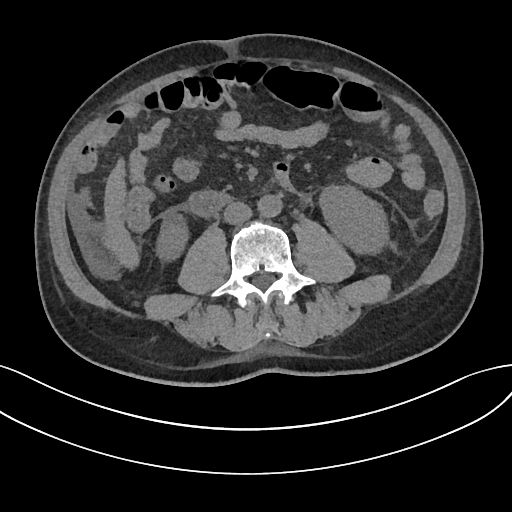
Abdominal CT; Axial slice 106/213; W/L 400/40 HU; acquired on SOMATOM Force
{"organs":{"right kidney":[154,210,187,260],"left kidney":[318,184,388,252],"liver":[103,158,139,270],"aorta":[258,195,282,217],"inferior vena cava":[224,201,252,224],"duodenum":[188,190,233,216]}}